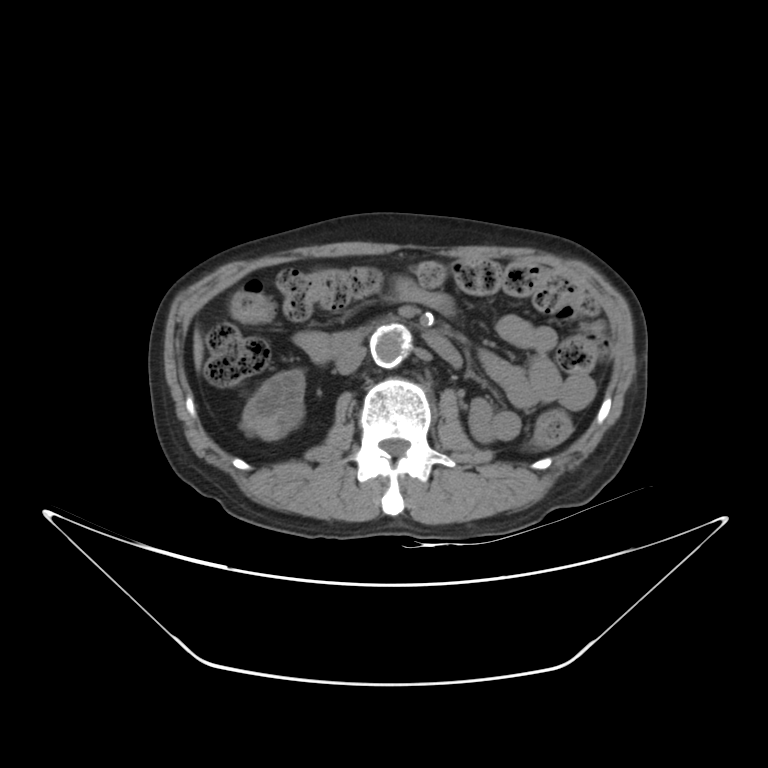

CT abdomen; axial view; Brilliance16 scanner; 14 organs annotated in this scan (that count is for the whole scan; organs this slice misses have no box)
Boxes are (x1, y1, x2, y2) in pixels.
right kidney: (241, 369, 305, 440)
liver: (193, 331, 204, 369)
aorta: (370, 328, 408, 367)
inferior vena cava: (336, 345, 366, 373)
duodenum: (329, 329, 462, 368)